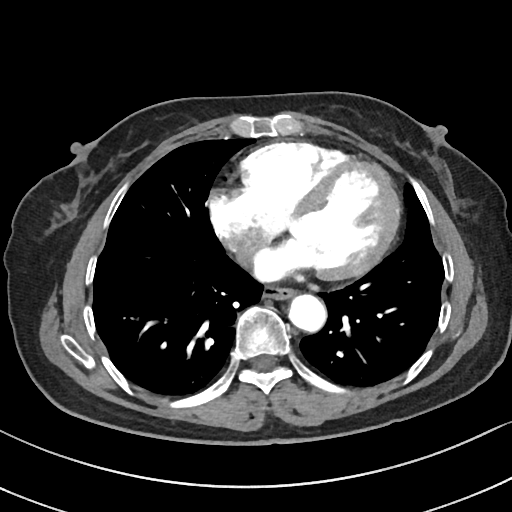

Abdominal CT; this slice is in the lower chest, just above the liver — axial plane, index 211 — 512x512 px
Of the structures in the chest, this dataset labels only the esophagus, the aorta and the inferior vena cava; the heart and lungs have no label.
Organ boxes in pixel coordinates; each row gives the top-left (x1, y1) and bottom-right (x2, y2) corners.
| organ | x1 | y1 | x2 | y2 |
|---|---|---|---|---|
| esophagus | 262 | 285 | 294 | 298 |
| aorta | 289 | 293 | 325 | 330 |